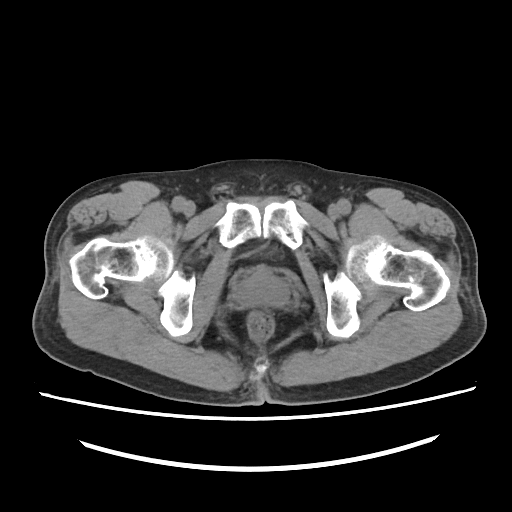
CT, abdomen/pelvis; axial plane, index 13; scan has 15 labeled organs (a whole-scan count: organs this slice does not pass through have no box)
Boxes are (x1, y1, x2, y2) in pixels. Labeled organs on this slice: prostate/uterus at (238, 271, 289, 305).